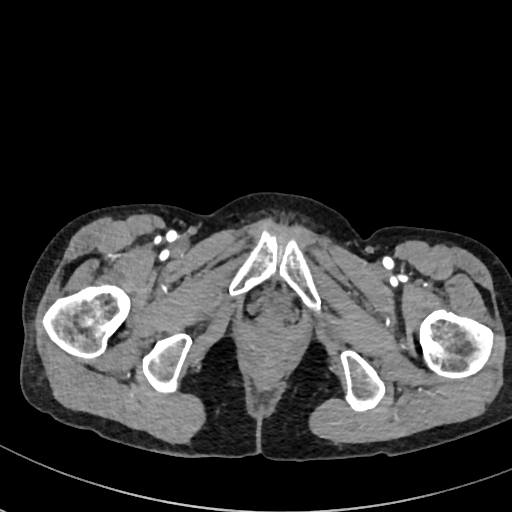
CT, abdomen/pelvis. axial view. soft-tissue window. 512x512 px
Box edges are left/top/right/bottom in pixels.
Organ bounding boxes:
- bladder: left=262, top=288, right=289, bottom=313